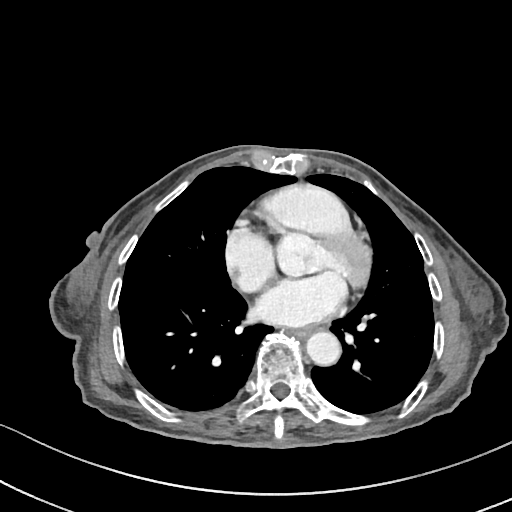
CT of the abdomen reaching into the lower chest, slice just above the liver and spleen · axial view · W/L 400/40 HU
Of the structures in the chest, this dataset labels only the esophagus, the aorta and the inferior vena cava; the heart and lungs have no label.
Boxes: x1 y1 x2 y2 (pixel coords, space-separated).
Organ bounding boxes:
- aorta: 306 331 340 366
- esophagus: 282 328 310 337